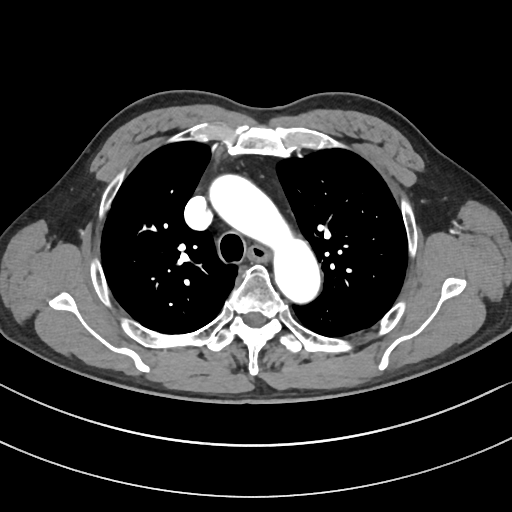 CT of the abdomen extending into the chest, slice through the chest — axial plane, index 241
At this level of the chest no structure but the esophagus and the aorta has a label in this dataset, and those two are boxed only where they are labeled. Each box given as x1,y1,x2,y2. 2 labeled organs on this slice — esophagus at x1=249, y1=246, x2=268, y2=260; aorta at x1=210, y1=174, x2=320, y2=303.